Abdominal CT — axial view — soft-tissue window — 768x768 px — 15 organs annotated in this scan (that count is for the whole scan; organs this slice misses have no box)
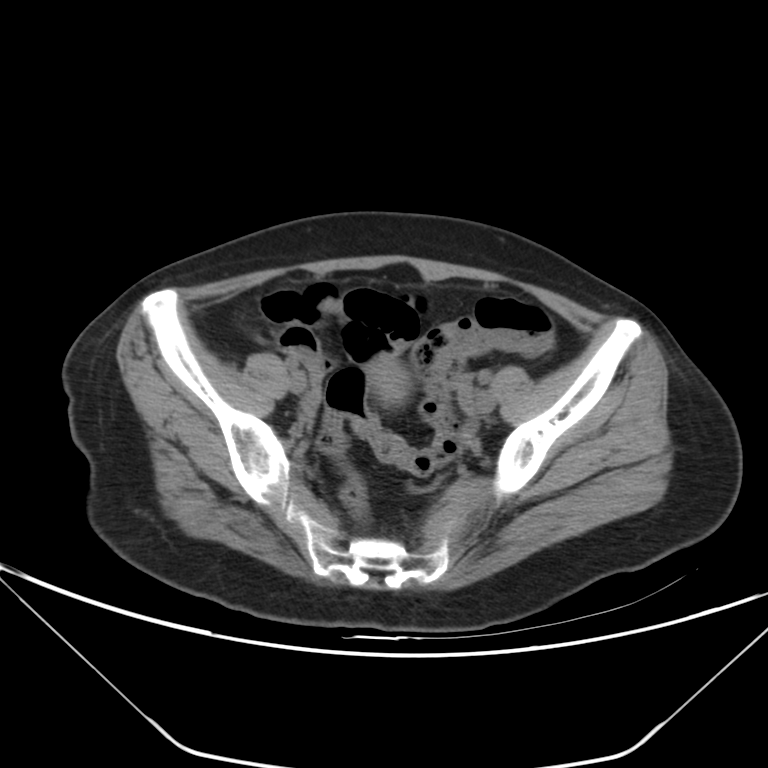 One row per box, in pixels: columns x1 and y1 give the top-left corner, x2 and y2 the bottom-right.
| organ | x1 | y1 | x2 | y2 |
|---|---|---|---|---|
| prostate/uterus | 367 | 357 | 410 | 403 |